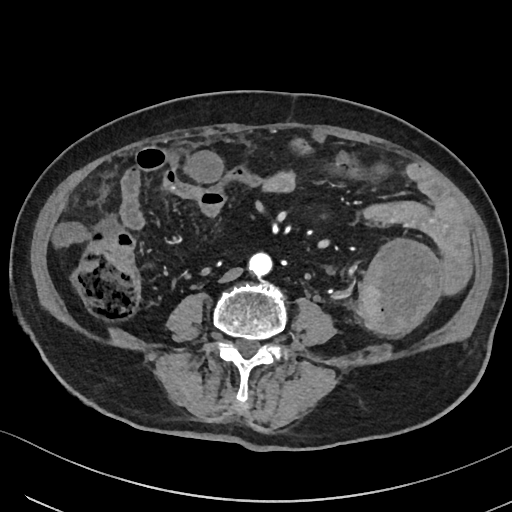 CT abdomen. axial view. abdomen soft-tissue window
Boxes: x1:y1:x2:y2 in pixels. 2 labeled organs on this slice — aorta at 249:252:273:276; inferior vena cava at 220:267:243:283.